MRI, abdomen. coronal view. 320x320 px
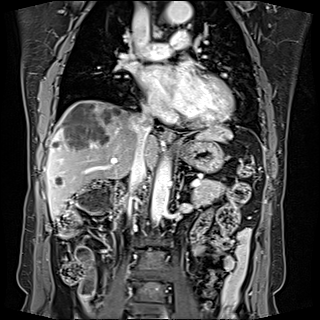

<organs><organ name="spleen" x1="198" y1="130" x2="223" y2="140"/><organ name="esophagus" x1="163" y1="131" x2="174" y2="141"/><organ name="liver" x1="46" y1="100" x2="234" y2="219"/><organ name="stomach" x1="180" y1="136" x2="225" y2="172"/><organ name="aorta" x1="151" y1="158" x2="171" y2="223"/><organ name="aorta" x1="165" y1="1" x2="192" y2="22"/><organ name="inferior vena cava" x1="129" y1="107" x2="157" y2="211"/><organ name="pancreas" x1="193" y1="180" x2="225" y2="206"/><organ name="left adrenal gland" x1="181" y1="180" x2="182" y2="184"/><organ name="duodenum" x1="113" y1="183" x2="125" y2="225"/></organs>